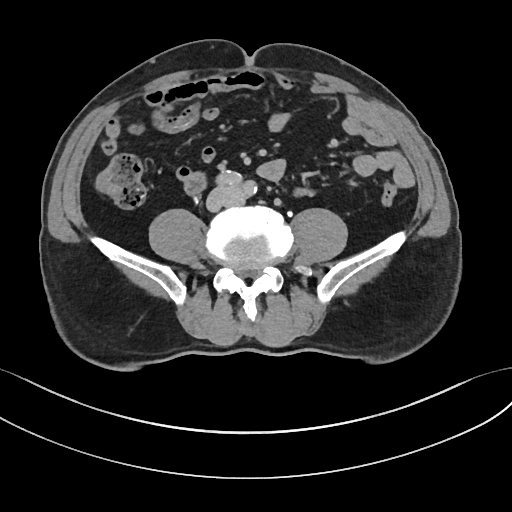 CT, abdomen/pelvis · Axial slice 109/224
{"organs":{"duodenum":[183,172,204,192]}}